Computed tomography, abdomen — axial view — acquired on Aquilion ONE
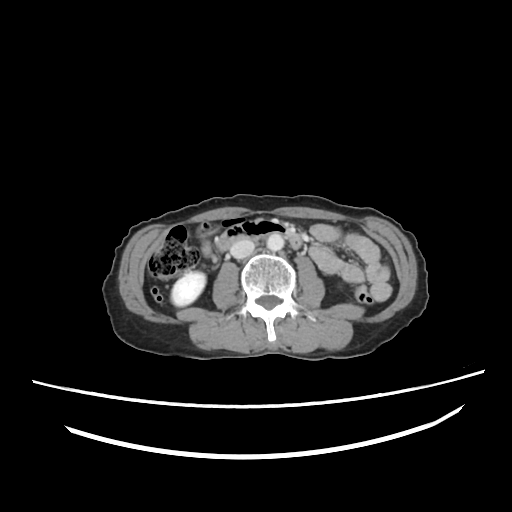

<organs><organ name="inferior vena cava" x1="230" y1="240" x2="254" y2="256"/><organ name="right kidney" x1="170" y1="273" x2="206" y2="306"/><organ name="duodenum" x1="216" y1="219" x2="286" y2="250"/><organ name="aorta" x1="266" y1="234" x2="284" y2="251"/></organs>